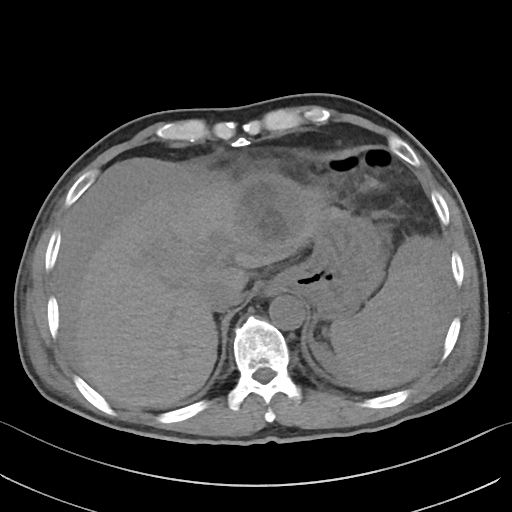
CT abdomen; axial view; 512x512 px; SOMATOM Force scanner
Boxes: x1 y1 x2 y2 (pixel coords, space-separated).
Organ bounding boxes:
- inferior vena cava: 205 283 241 312
- stomach: 272 207 384 318
- liver: 74 171 329 407
- spleen: 329 266 436 390
- aorta: 269 295 305 330